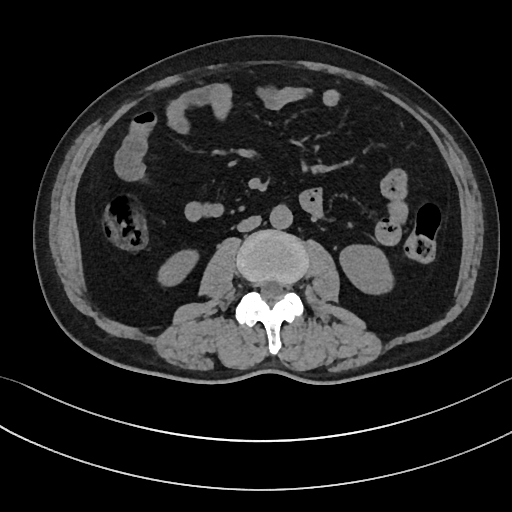

CT abdomen. axial view. abdomen soft-tissue window. 512x512 px
<organs><organ name="right kidney" x1="159" y1="249" x2="198" y2="285"/><organ name="left kidney" x1="341" y1="245" x2="393" y2="292"/><organ name="aorta" x1="269" y1="204" x2="292" y2="228"/><organ name="inferior vena cava" x1="237" y1="216" x2="261" y2="231"/></organs>